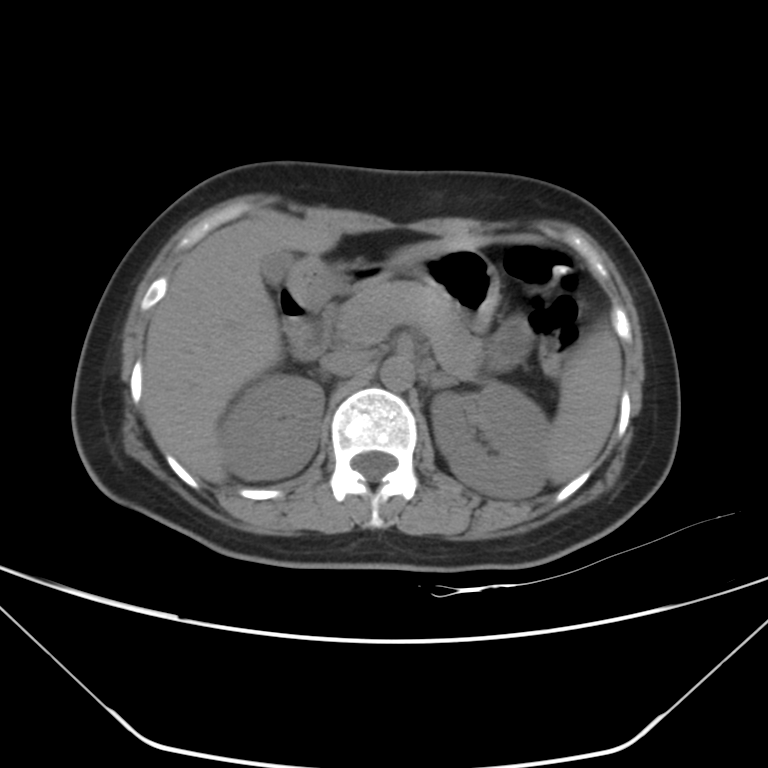
Computed tomography, abdomen; axial view; 768x768 px; 32-year-old female patient; Brilliance16 scanner
Boxes are (x1, y1, x2, y2) in pixels.
Organ bounding boxes:
- spleen: (546, 329, 622, 484)
- right kidney: (220, 376, 324, 479)
- left kidney: (430, 382, 549, 498)
- gall bladder: (261, 250, 292, 285)
- liver: (142, 213, 483, 483)
- stomach: (289, 250, 500, 331)
- aorta: (381, 357, 413, 390)
- inferior vena cava: (321, 352, 369, 376)
- pancreas: (337, 281, 481, 378)
- left adrenal gland: (430, 372, 454, 388)
- duodenum: (279, 288, 332, 359)